Abdominal CT — Axial slice 84/84 — Brilliance16 scanner — scan has 15 labeled organs (a whole-scan count: organs this slice does not pass through have no box)
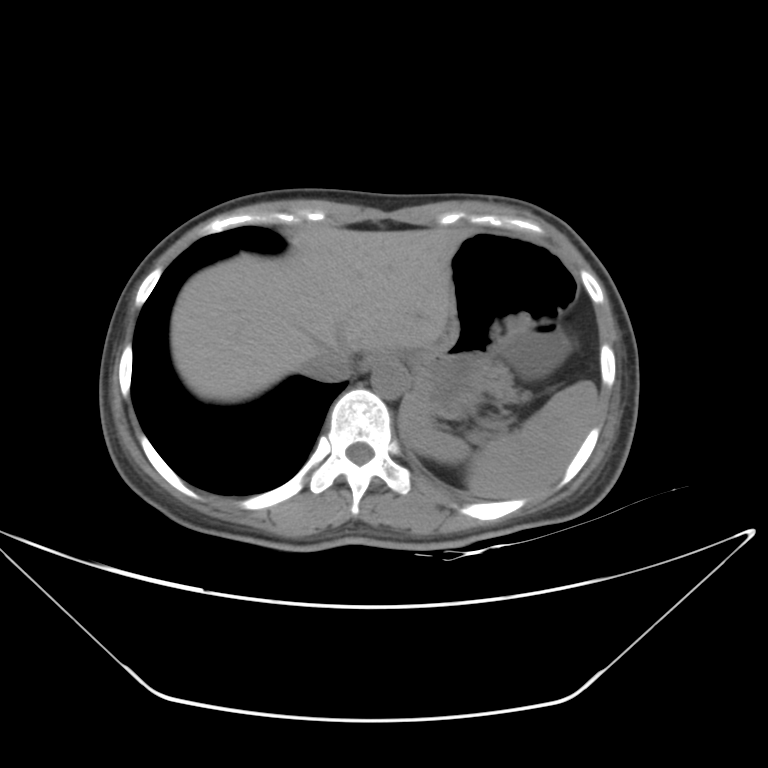

<organs><organ name="spleen" x1="399" y1="381" x2="599" y2="498"/><organ name="esophagus" x1="359" y1="350" x2="398" y2="371"/><organ name="liver" x1="171" y1="225" x2="471" y2="401"/><organ name="stomach" x1="396" y1="231" x2="574" y2="417"/><organ name="aorta" x1="371" y1="364" x2="408" y2="399"/><organ name="inferior vena cava" x1="304" y1="347" x2="351" y2="382"/><organ name="pancreas" x1="488" y1="365" x2="518" y2="403"/></organs>